CT, abdomen/pelvis · axial view · soft-tissue window
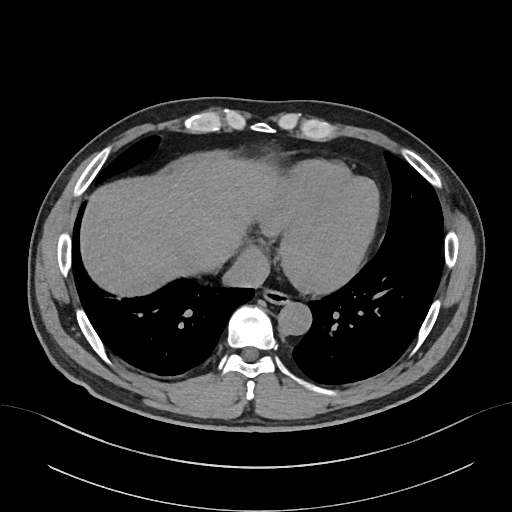

Boxes: x1:y1:x2:y2 in pixels.
esophagus: 263:289:289:304
liver: 81:156:278:296
aorta: 278:302:311:335
inferior vena cava: 222:246:269:287